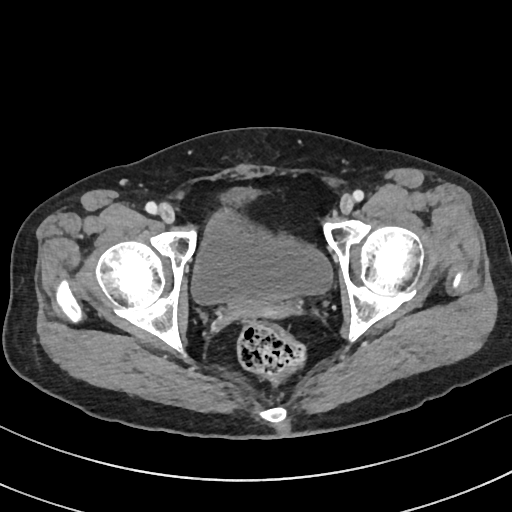
CT, abdomen/pelvis. axial plane, index 32. 512x512 px. 14 organs annotated in this scan (a whole-scan count: organs this slice does not pass through have no box)
Boxes: x1:y1:x2:y2 in pixels. Labeled organs on this slice: bladder at 191:185:332:306.